Abdominal CT · axial view · W/L 400/40 HU · 512x512 px
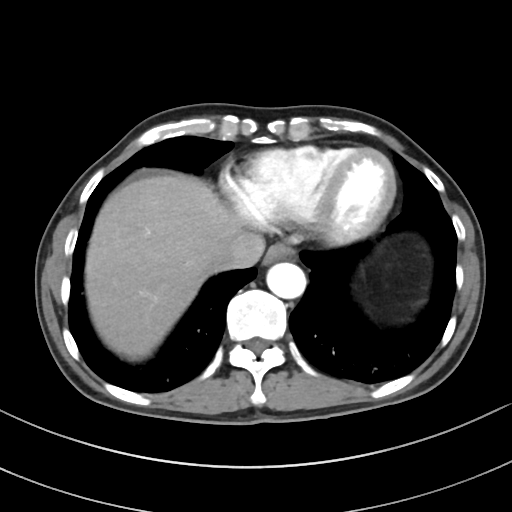 Boxes are (x1, y1, x2, y2) in pixels. 4 labeled organs on this slice — esophagus at (263, 243, 294, 264); liver at (85, 174, 242, 360); aorta at (266, 262, 306, 298); inferior vena cava at (215, 232, 265, 269).